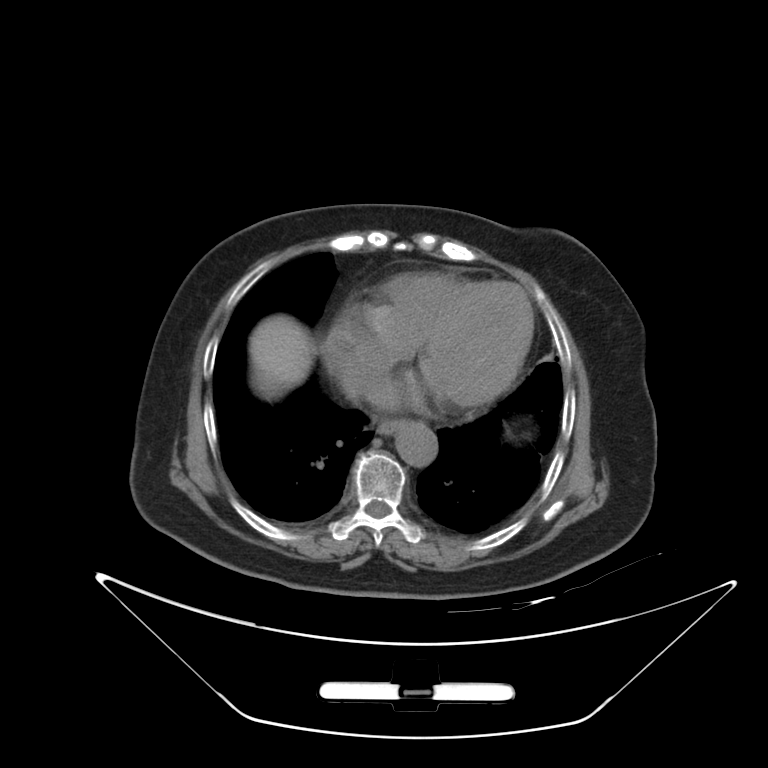

CT, abdomen/pelvis; axial plane, index 83; W/L 400/40 HU
Boxes are (x1, y1, x2, y2) in pixels.
Organ bounding boxes:
- aorta: (395, 421, 437, 466)
- inferior vena cava: (340, 367, 378, 395)
- liver: (249, 315, 314, 399)
- esophagus: (377, 419, 405, 435)